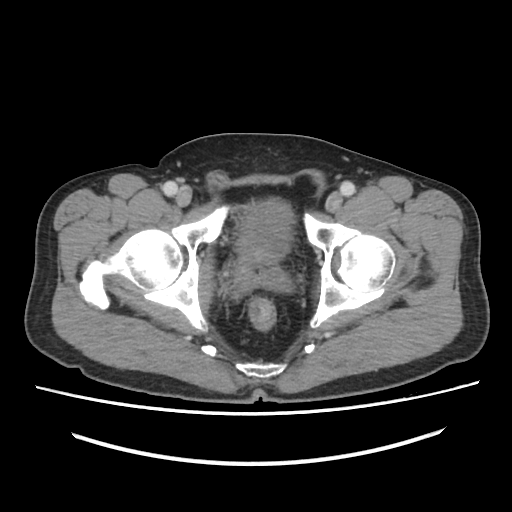 Abdominal CT — axial view — abdomen soft-tissue window — 512x512 px — 58-year-old male patient — 14 organs annotated in this scan (a whole-scan count: organs this slice does not pass through have no box)
Boxes: x1:y1:x2:y2 in pixels.
Organ bounding boxes:
- bladder: 237:201:292:262
- prostate/uterus: 243:256:262:264